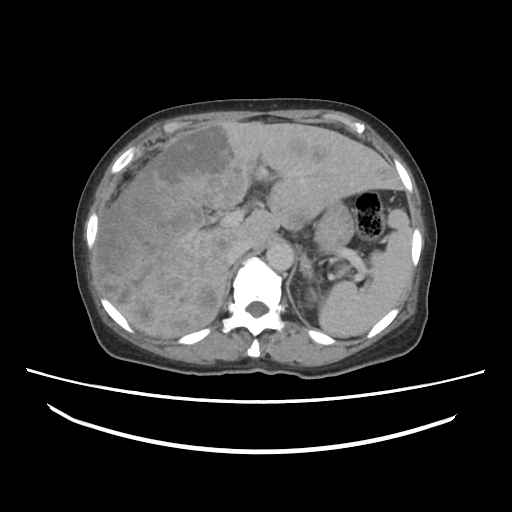
CT, abdomen/pelvis. axial plane, index 74. abdomen soft-tissue window. 512x512 px. 71-year-old female patient. acquired on Aquilion ONE
<organs><organ name="spleen" x1="318" y1="209" x2="412" y2="337"/><organ name="left kidney" x1="308" y1="290" x2="315" y2="299"/><organ name="liver" x1="94" y1="121" x2="399" y2="339"/><organ name="stomach" x1="314" y1="204" x2="351" y2="253"/><organ name="aorta" x1="266" y1="242" x2="292" y2="272"/><organ name="inferior vena cava" x1="230" y1="240" x2="246" y2="262"/><organ name="left adrenal gland" x1="301" y1="255" x2="315" y2="281"/></organs>